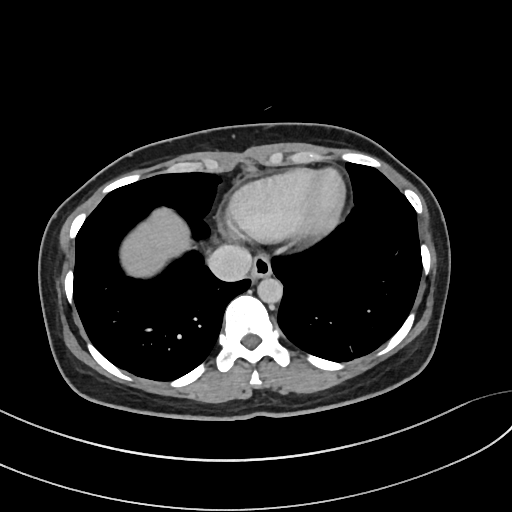 Computed tomography, abdomen · axial view · 512x512 px
Bounding boxes in pixels, one row per box: x1, y1 is the top-left corner and x2, y2 the bottom-right.
| organ | x1 | y1 | x2 | y2 |
|---|---|---|---|---|
| aorta | 257 | 276 | 282 | 303 |
| inferior vena cava | 207 | 244 | 252 | 281 |
| liver | 122 | 208 | 191 | 277 |
| esophagus | 251 | 253 | 271 | 277 |